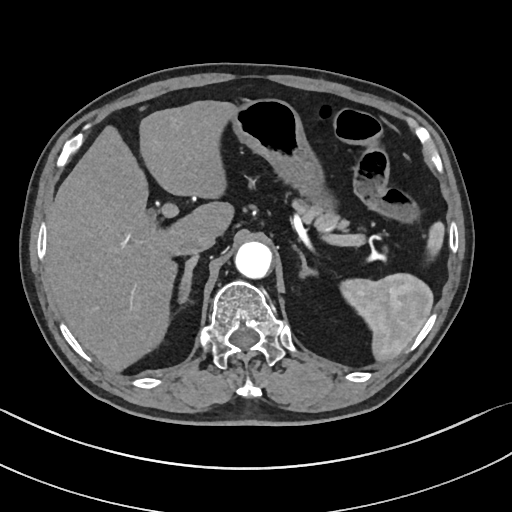

CT abdomen — axial plane, index 172 — 15 organs annotated in this scan (a whole-scan count: organs this slice does not pass through have no box)
<organs><organ name="liver" x1="45" y1="100" x2="234" y2="370"/><organ name="right adrenal gland" x1="177" y1="255" x2="198" y2="304"/><organ name="left adrenal gland" x1="292" y1="243" x2="314" y2="276"/><organ name="inferior vena cava" x1="173" y1="229" x2="215" y2="255"/><organ name="pancreas" x1="291" y1="199" x2="361" y2="244"/><organ name="stomach" x1="228" y1="98" x2="322" y2="193"/><organ name="spleen" x1="341" y1="221" x2="443" y2="361"/><organ name="aorta" x1="234" y1="241" x2="271" y2="278"/></organs>